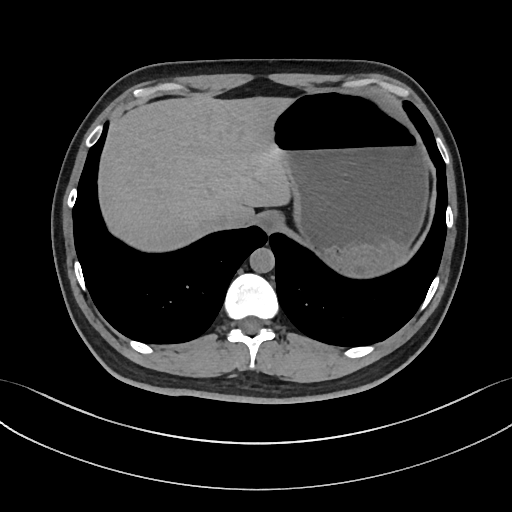 Computed tomography, abdomen; Axial slice 200/225; 512x512 px; 15 organs annotated in this scan (that count is for the whole scan; organs this slice misses have no box)
Organ boxes in pixel coordinates; each row gives the top-left (x1, y1) and bottom-right (x2, y2) corners.
| organ | x1 | y1 | x2 | y2 |
|---|---|---|---|---|
| esophagus | 258 | 211 | 283 | 233 |
| liver | 98 | 94 | 290 | 251 |
| stomach | 271 | 90 | 429 | 280 |
| aorta | 249 | 247 | 274 | 272 |
| inferior vena cava | 212 | 213 | 228 | 229 |